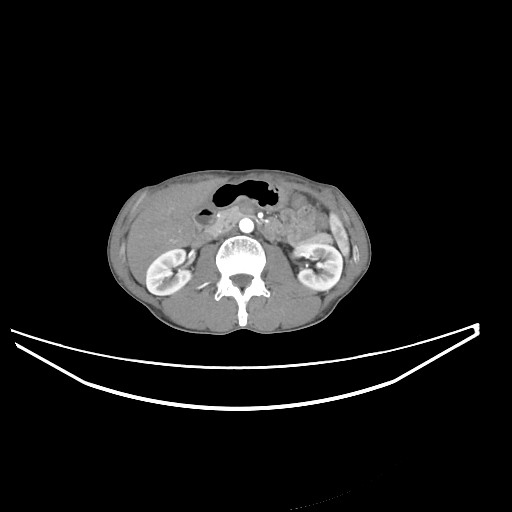 CT, abdomen/pelvis. axial plane, index 58. soft-tissue window (W 400 / L 40). 512x512 px. 15 organs annotated in this scan (counted over the whole 3D scan, not this slice; an organ is boxed only where this slice passes through it)
Box edges are left/top/right/bottom in pixels.
Organ bounding boxes:
- spleen: left=329, top=213, right=349, bottom=256
- right kidney: left=145, top=248, right=191, bottom=295
- left kidney: left=293, top=241, right=342, bottom=290
- liver: left=126, top=180, right=218, bottom=283
- stomach: left=205, top=179, right=286, bottom=211
- aorta: left=239, top=218, right=253, bottom=233
- inferior vena cava: left=217, top=227, right=236, bottom=238
- pancreas: left=206, top=206, right=333, bottom=243
- duodenum: left=192, top=208, right=274, bottom=246